CT abdomen. axial plane, index 61. soft-tissue window. 768x768 px
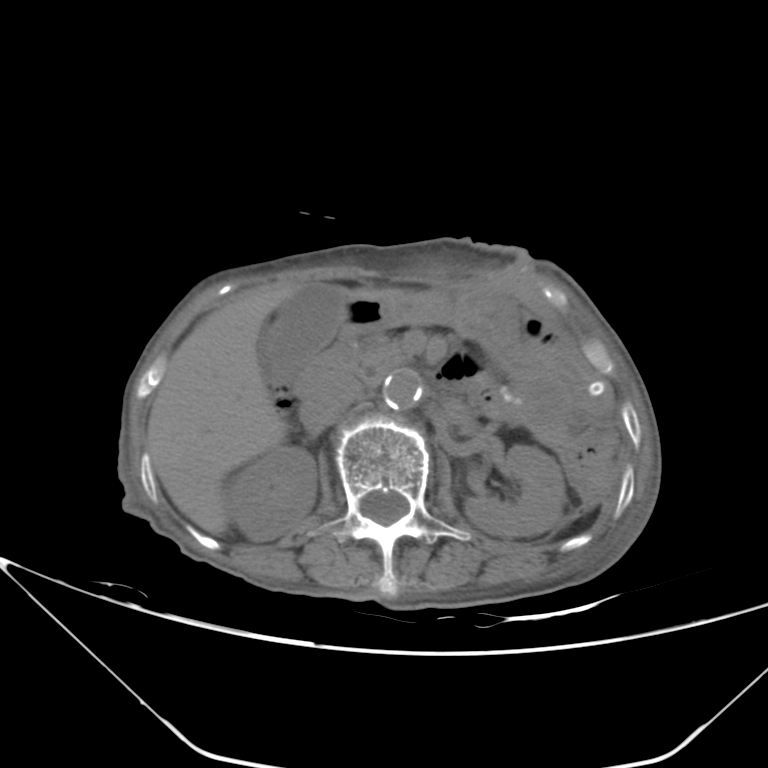 Organ boxes in pixel coordinates; each row gives the top-left (x1, y1) and bottom-right (x2, y2) corners.
| organ | x1 | y1 | x2 | y2 |
|---|---|---|---|---|
| right kidney | 224 | 447 | 316 | 540 |
| left kidney | 464 | 445 | 565 | 537 |
| gall bladder | 258 | 283 | 343 | 383 |
| liver | 147 | 283 | 421 | 535 |
| stomach | 381 | 290 | 610 | 415 |
| aorta | 383 | 369 | 423 | 409 |
| inferior vena cava | 307 | 379 | 364 | 430 |
| pancreas | 350 | 337 | 404 | 386 |
| duodenum | 295 | 296 | 386 | 401 |